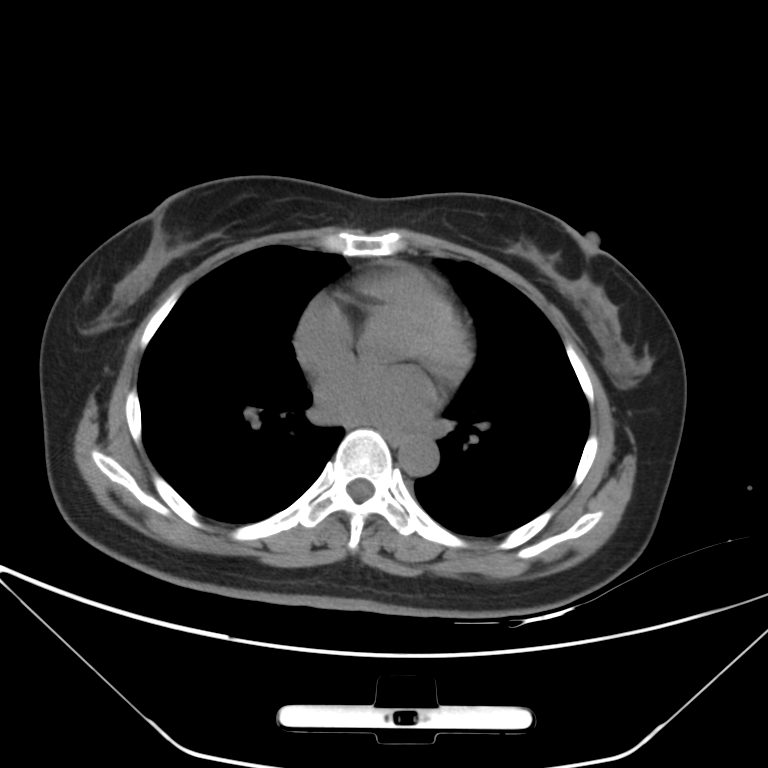
Abdominal CT; this slice is in the lower chest, just above the liver. axial view. soft-tissue window, W/L 400/40
Of the structures in the chest, this dataset labels only the esophagus, the aorta and the inferior vena cava; the heart and lungs have no label.
{"organs":{"esophagus":[380,427,405,448],"aorta":[398,439,438,476]}}